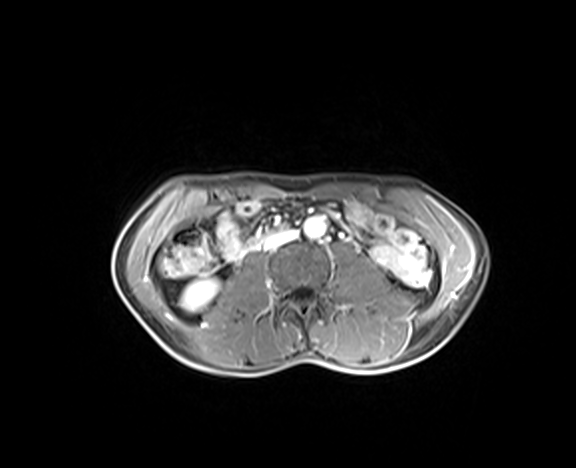 Magnetic resonance imaging, abdomen. axial view. Prisma scanner
{"organs":{"right kidney":[181,278,218,311],"aorta":[304,217,326,238],"inferior vena cava":[263,229,297,249]}}